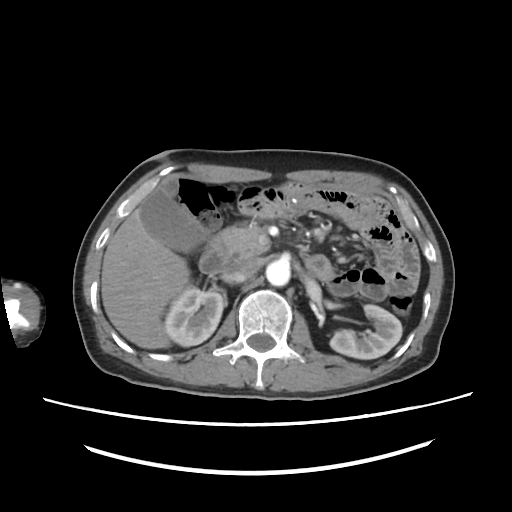
Computed tomography, abdomen — axial view — 512x512 px — scan has 14 labeled organs (that count is for the whole scan; organs this slice misses have no box)
Coordinates as <box>x1,y1,x2,y2</box> in pixels.
pancreas: <box>222,221,268,255</box>
inferior vena cava: <box>224,256,262,281</box>
left kidney: <box>330,305,401,357</box>
right kidney: <box>165,288,223,346</box>
duodenum: <box>198,235,332,280</box>
aorta: <box>267,260,290,285</box>
gall bladder: <box>141,175,205,253</box>
liver: <box>100,199,190,348</box>